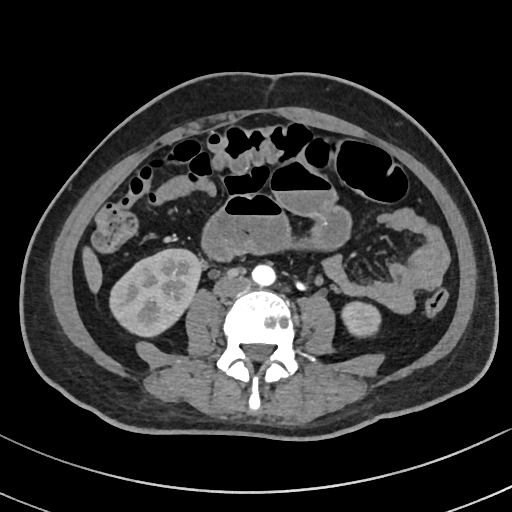

CT, abdomen/pelvis. Axial slice 97/191. W/L 400/40 HU. SOMATOM Force scanner. scan has 15 labeled organs (counted over the whole 3D scan, not this slice; an organ is boxed only where this slice passes through it)
Box edges are left/top/right/bottom in pixels.
liver: left=82, top=247, right=102, bottom=292
left kidney: left=341, top=302, right=380, bottom=336
right kidney: left=109, top=249, right=201, bottom=336
inferior vena cava: left=214, top=274, right=249, bottom=296
aorta: left=252, top=264, right=275, bottom=286